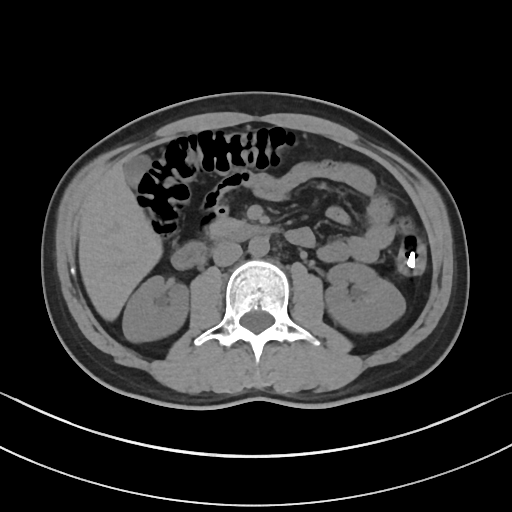 CT, abdomen/pelvis · axial view · 512x512 px · 15 organs annotated in this scan (counted over the whole 3D scan, not this slice; an organ is boxed only where this slice passes through it)
Bounding boxes as [x1, y1, x2, y2] in pixel coordinates.
right kidney: [122, 276, 188, 342]
left kidney: [325, 262, 405, 332]
gall bladder: [123, 154, 150, 187]
liver: [78, 162, 162, 320]
aorta: [248, 237, 269, 256]
inferior vena cava: [212, 241, 242, 266]
pancreas: [208, 219, 239, 238]
duodenum: [171, 222, 276, 269]